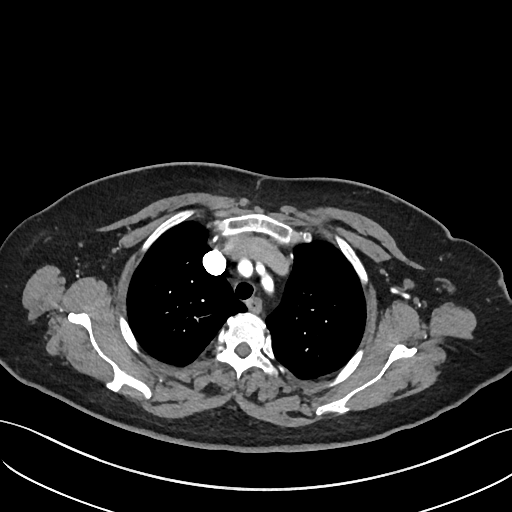

Abdominal CT reaching into the chest; this slice is in the chest; axial view
On a slice this high in the chest, this dataset labels only the esophagus and the aorta, and each is boxed only where it is labeled; the heart, lungs and other chest structures are not labeled.
Coordinates as <box>x1,y1,x2,y2</box> in pixels.
Organ bounding boxes:
- esophagus: <box>247,298,260,311</box>